Computed tomography, abdomen; axial plane, index 62; 512x512 px
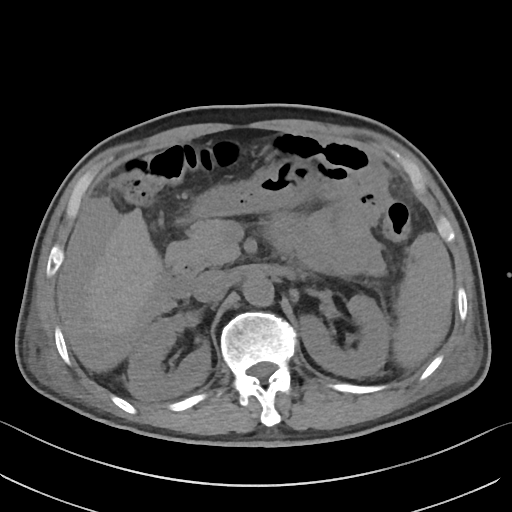 <organs><organ name="spleen" x1="392" y1="232" x2="453" y2="368"/><organ name="right kidney" x1="127" y1="317" x2="210" y2="400"/><organ name="left kidney" x1="299" y1="295" x2="390" y2="378"/><organ name="liver" x1="89" y1="208" x2="159" y2="337"/><organ name="stomach" x1="192" y1="159" x2="312" y2="216"/><organ name="aorta" x1="243" y1="276" x2="273" y2="306"/><organ name="inferior vena cava" x1="193" y1="269" x2="226" y2="302"/><organ name="pancreas" x1="166" y1="219" x2="239" y2="267"/><organ name="duodenum" x1="159" y1="263" x2="200" y2="298"/></organs>